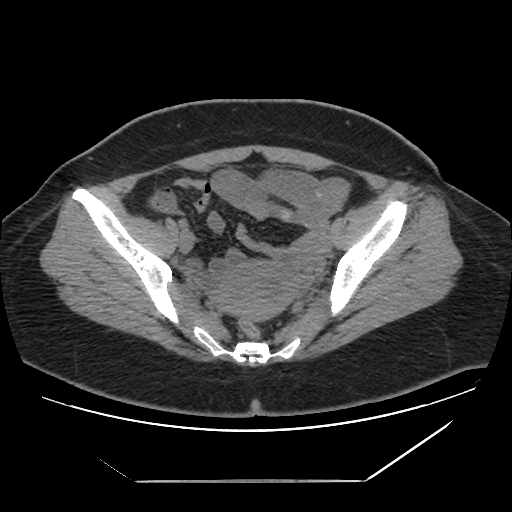
CT abdomen · Axial slice 74/345 · 512x512 px
Coordinates as <box>x1,y1,x2,y2</box> in pixels.
duodenum: <box>250,263,254,264</box>
prostate/uterus: <box>213,262,302,320</box>